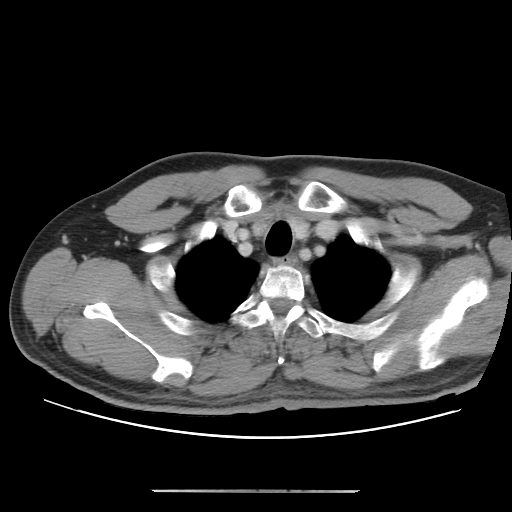 CT of the abdomen extending into the chest, slice through the chest · axial plane, index 125 · W/L 400/40 HU
On a slice this high in the chest, this dataset labels only the esophagus and the aorta, and each is boxed only where it is labeled; the heart, lungs and other chest structures are not labeled. Coordinates as <box>x1,y1,x2,y2</box> in pixels. The annotated organs in this slice are: esophagus at <box>278,256,297,266</box>.